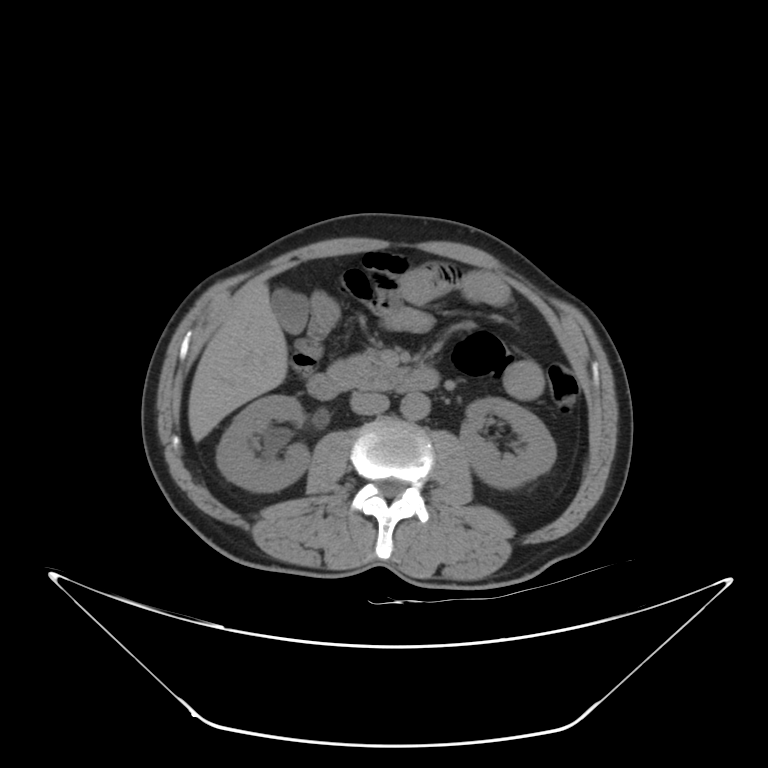 CT abdomen — axial view — 59-year-old male patient — 15 organs annotated in this scan (that count is for the whole scan; organs this slice misses have no box)
<organs><organ name="duodenum" x1="307" y1="367" x2="440" y2="400"/><organ name="left kidney" x1="460" y1="397" x2="555" y2="488"/><organ name="gall bladder" x1="271" y1="288" x2="309" y2="333"/><organ name="aorta" x1="401" y1="393" x2="429" y2="420"/><organ name="pancreas" x1="327" y1="352" x2="396" y2="388"/><organ name="right kidney" x1="216" y1="394" x2="309" y2="491"/><organ name="liver" x1="188" y1="282" x2="287" y2="441"/><organ name="inferior vena cava" x1="351" y1="393" x2="388" y2="414"/></organs>